Abdominal CT; axial plane, index 162; soft-tissue window; 512x512 px
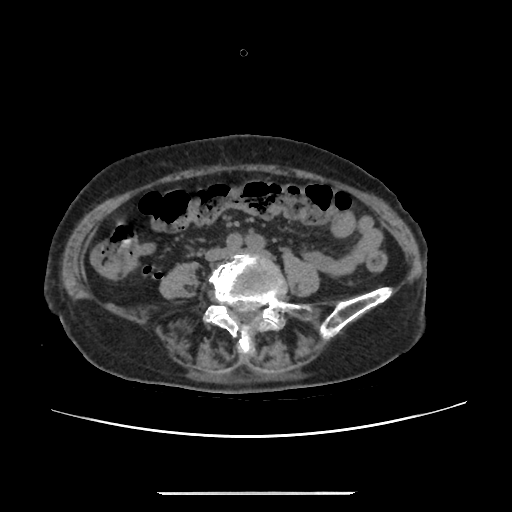 Each box given as x1,y1,x2,y2.
Organ bounding boxes:
- inferior vena cava: x1=207, y1=249, x2=225, y2=258